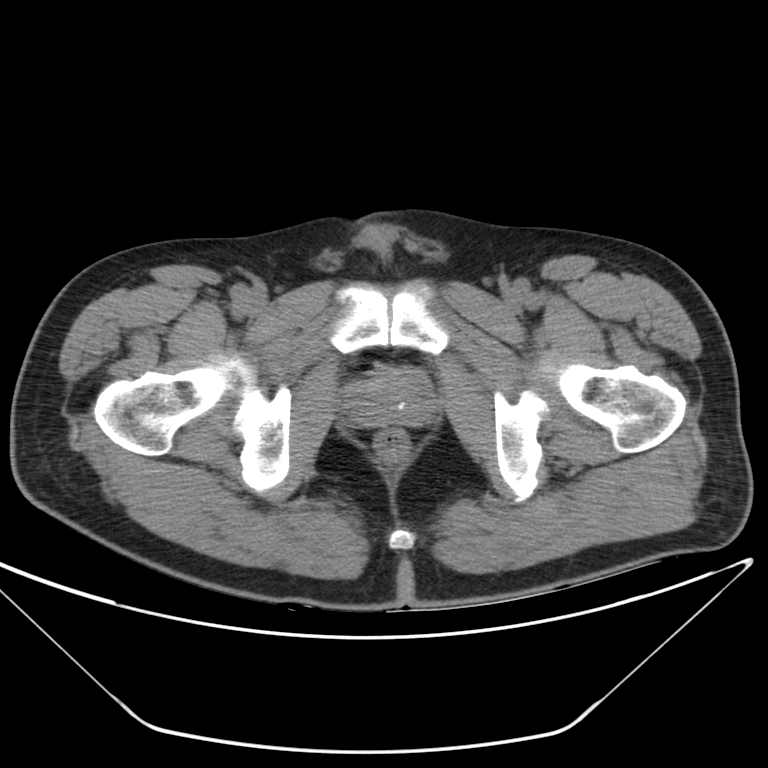 CT abdomen — axial plane, index 14 — soft-tissue window
One row per box, in pixels: columns x1 and y1 give the top-left corner, x2 and y2 the bottom-right.
| organ | x1 | y1 | x2 | y2 |
|---|---|---|---|---|
| prostate/uterus | 347 | 371 | 429 | 429 |